Chest-level CT slice, above the liver and spleen — axial view — soft-tissue window, W/L 400/40 — 512x512 px — 15 organs annotated in this scan (counted over the whole 3D scan, not this slice; an organ is boxed only where this slice passes through it)
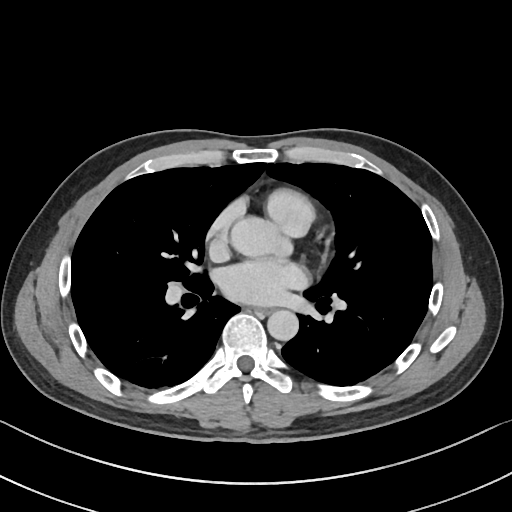

At this level of the chest no structure but the esophagus and the aorta has a label in this dataset, and those two are boxed only where they are labeled.
{"organs":{"esophagus":[254,307,271,315],"aorta":[[230,218,280,258],[267,310,298,340]]}}